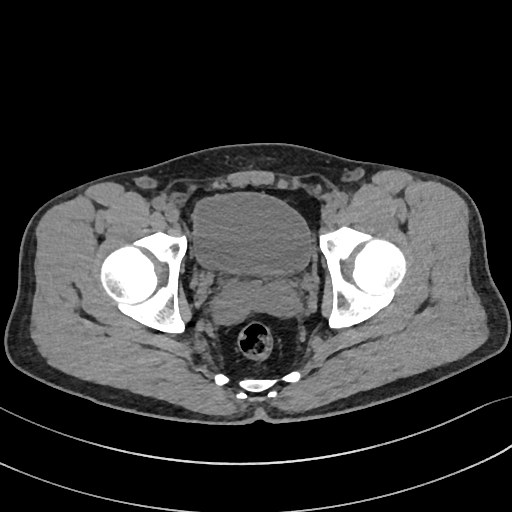
Abdominal CT · axial view · 512x512 px · acquired on SOMATOM Force
Bounding boxes as [x1, y1, x2, y2] in pixel coordinates.
bladder: [194, 193, 310, 272]